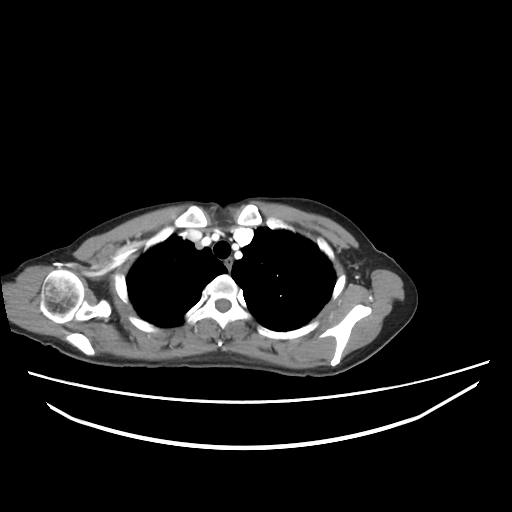
Chest-level CT slice, above the liver and spleen · axial plane, index 106 · W/L 400/40 HU · 512x512 px
At this level of the chest no structure but the esophagus and the aorta has a label in this dataset, and those two are boxed only where they are labeled. Box edges are left/top/right/bottom in pixels. The annotated organs in this slice are: esophagus at left=224, top=258, right=231, bottom=268.